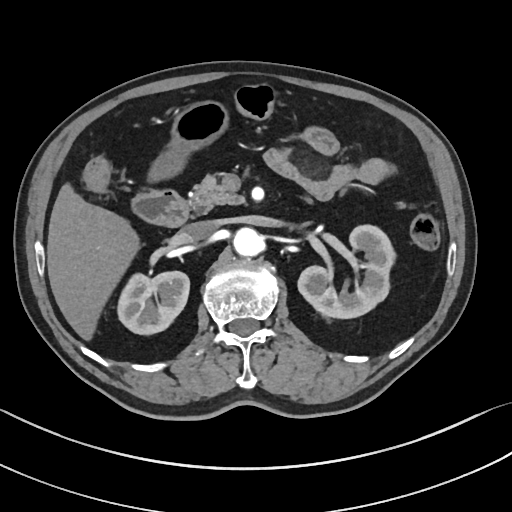

CT, abdomen/pelvis — axial view — abdomen soft-tissue window — 512x512 px
<organs><organ name="right kidney" x1="117" y1="271" x2="189" y2="334"/><organ name="left kidney" x1="297" y1="225" x2="395" y2="318"/><organ name="liver" x1="47" y1="183" x2="139" y2="340"/><organ name="stomach" x1="148" y1="100" x2="229" y2="180"/><organ name="aorta" x1="233" y1="227" x2="263" y2="256"/><organ name="inferior vena cava" x1="179" y1="221" x2="216" y2="242"/><organ name="pancreas" x1="189" y1="175" x2="243" y2="213"/><organ name="duodenum" x1="131" y1="189" x2="189" y2="227"/></organs>